Computed tomography, abdomen. axial plane, index 121. abdomen soft-tissue window. 512x512 px. SOMATOM Force scanner
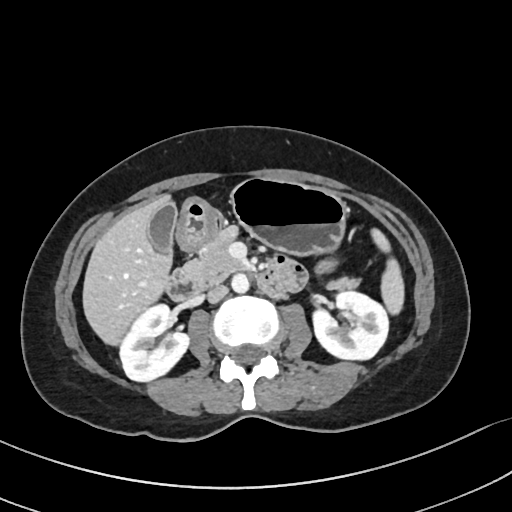

{"organs":{"spleen":[371,228,404,314],"right kidney":[119,304,188,381],"left kidney":[313,291,388,359],"gall bladder":[148,203,177,255],"liver":[83,194,172,345],"stomach":[175,178,347,254],"aorta":[231,273,249,293],"inferior vena cava":[207,285,228,302],"pancreas":[181,227,359,289],"duodenum":[165,210,306,301]}}